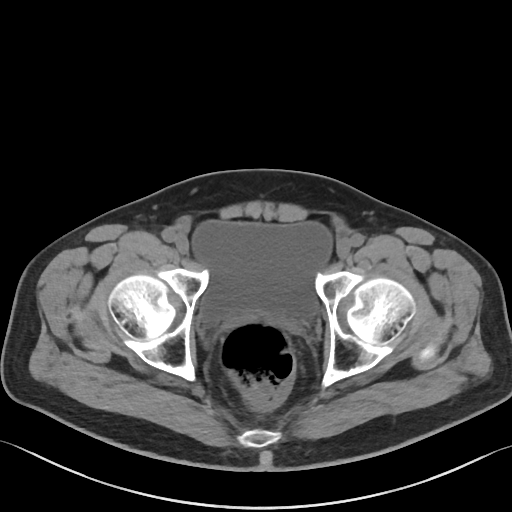
Computed tomography, abdomen. axial view. acquired on SOMATOM Force. 15 organs annotated in this scan (counted over the whole 3D scan, not this slice; an organ is boxed only where this slice passes through it)
Coordinates as <box>x1,y1,x2,y2</box> in pixels. 1 labeled organ on this slice — bladder at <box>192,221,331,322</box>.